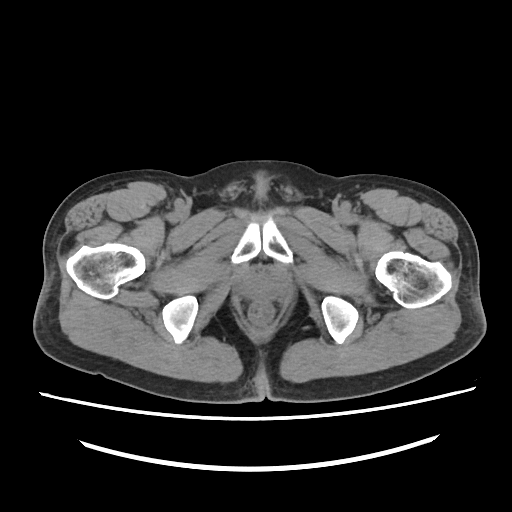 Abdominal CT · axial view · soft-tissue window · 55-year-old male patient · scan has 15 labeled organs (a whole-scan count: organs this slice does not pass through have no box)
Coordinates as <box>x1,y1,x2,y2</box> in pixels.
prostate/uterus: <box>243,273,279,300</box>